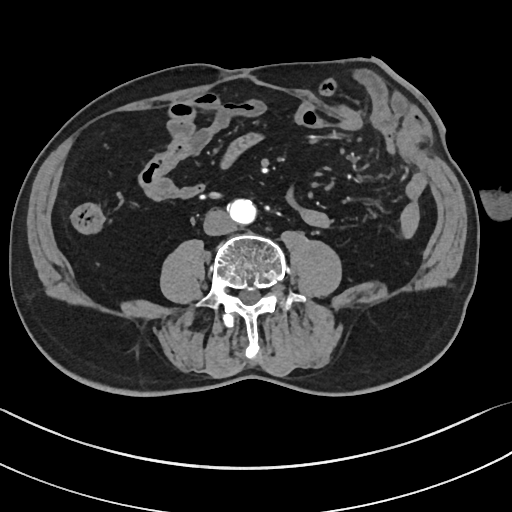 CT, abdomen/pelvis · axial plane, index 105 · soft-tissue window · 512x512 px
Each box given as x1,y1,x2,y2.
Organ bounding boxes:
- aorta: x1=230, y1=199, x2=256, y2=224
- inferior vena cava: x1=203, y1=210, x2=234, y2=235